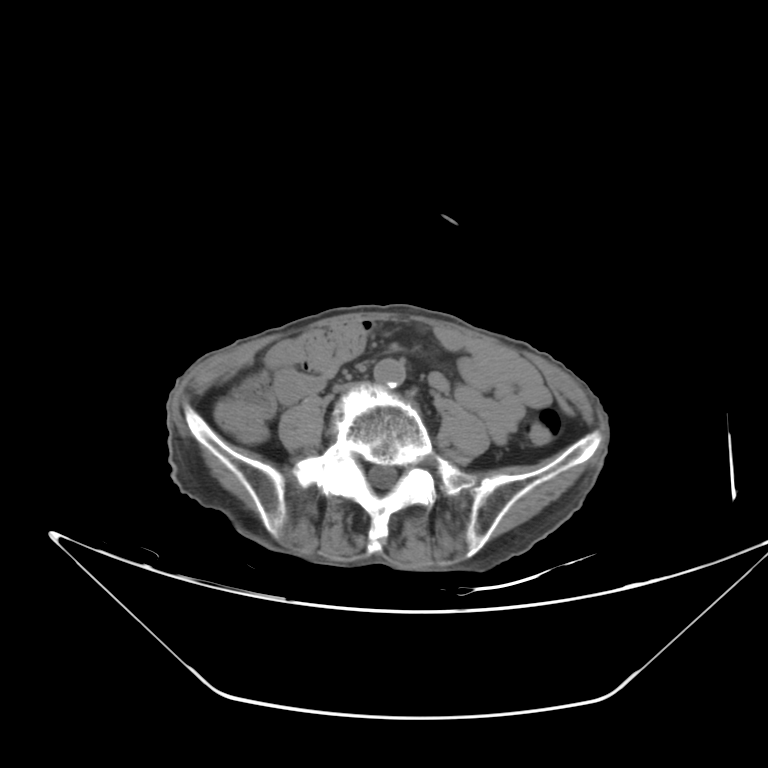
CT, abdomen/pelvis. axial plane, index 38. soft-tissue window. male patient aged 90 or older. acquired on Brilliance16
{"organs":{"aorta":[374,360,408,388],"inferior vena cava":[331,381,364,395]}}